CT, abdomen/pelvis. axial plane, index 87. 768x768 px. 56-year-old male patient. acquired on Brilliance16
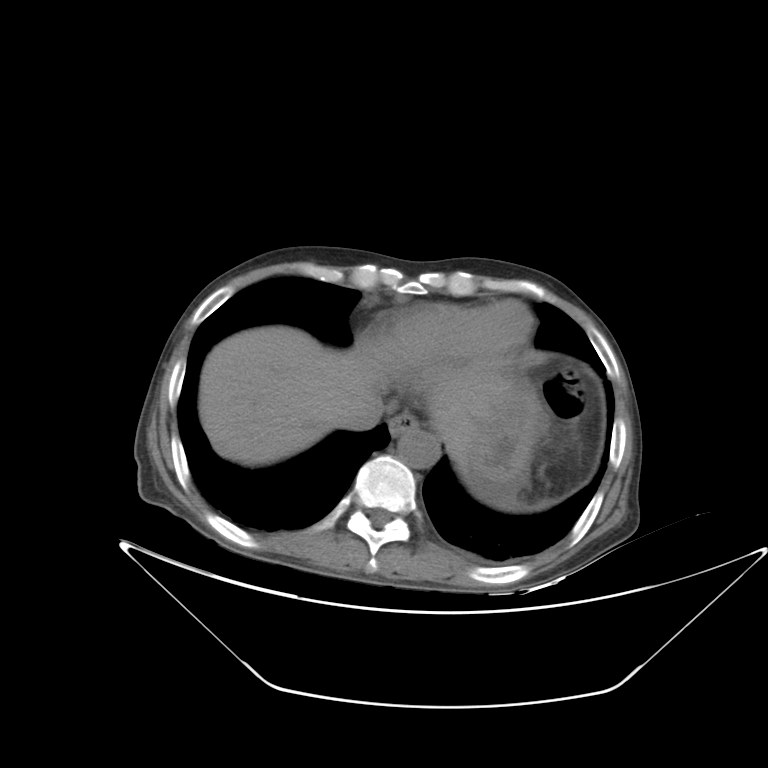

Boxes: x1 y1 x2 y2 (pixel coords, space-separated). The annotated organs in this slice are: esophagus at 389 411 418 436, liver at 199 326 506 464, stomach at 451 379 543 483, aorta at 397 428 439 468, inferior vena cava at 341 393 384 430.